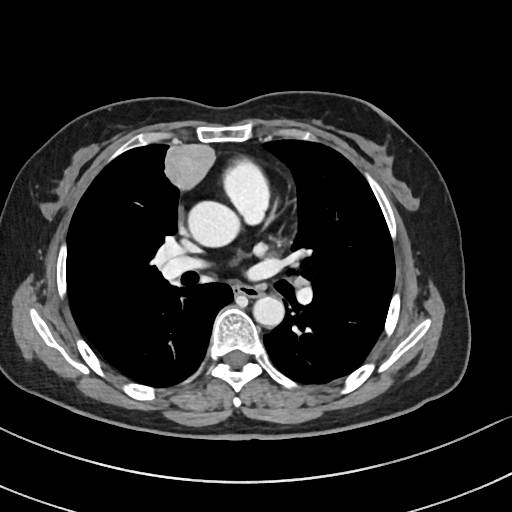
Chest-level slice from an abdominal CT that extends up into the chest · axial view · soft-tissue window, W/L 400/40 · 512x512 px · scan has 14 labeled organs (that count is for the whole scan; organs this slice misses have no box)
On a slice this high in the chest, this dataset labels only the esophagus and the aorta, and each is boxed only where it is labeled; the heart, lungs and other chest structures are not labeled.
Organ boxes in pixel coordinates; each row gives the top-left (x1, y1) and bottom-right (x2, y2) corners.
| organ | x1 | y1 | x2 | y2 |
|---|---|---|---|---|
| esophagus | 234 | 286 | 261 | 297 |
| aorta | 190 | 202 | 244 | 246 |
| aorta | 253 | 296 | 284 | 326 |